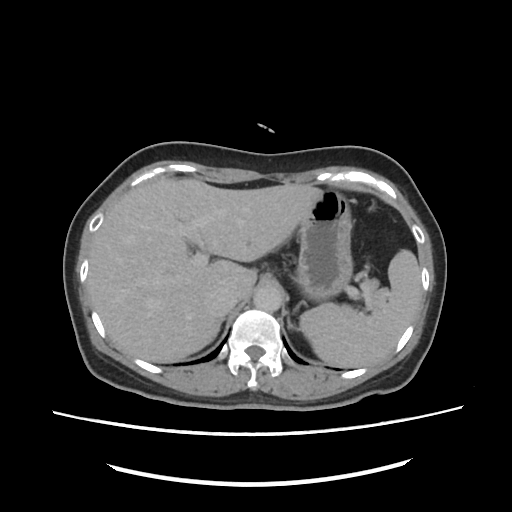
CT, abdomen/pelvis — axial plane, index 71 — 512x512 px
{"organs":{"spleen":[299,250,421,368],"liver":[88,177,323,362],"stomach":[295,190,353,303],"aorta":[253,285,282,312],"inferior vena cava":[209,286,238,314],"pancreas":[358,278,386,307],"right adrenal gland":[210,316,227,342],"left adrenal gland":[287,310,300,330]}}